CT abdomen. axial plane, index 207. soft-tissue window (W 400 / L 40). acquired on SOMATOM Force
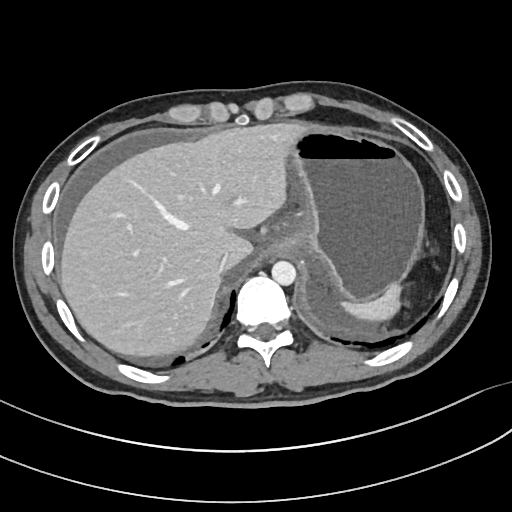 Boxes: x1:y1:x2:y2 in pixels. Labeled organs on this slice: spleen at 341:285:401:321, liver at 59:123:298:356, stomach at 268:125:424:302, aorta at 271:261:296:285, inferior vena cava at 219:252:229:271.